CT, abdomen/pelvis; axial view
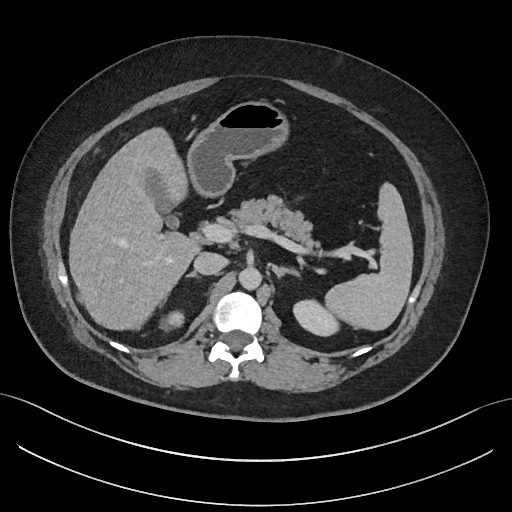

{"organs":{"spleen":[323,183,412,329],"right kidney":[167,313,182,326],"left kidney":[293,301,339,334],"gall bladder":[144,169,177,227],"liver":[69,124,201,331],"stomach":[189,103,287,195],"aorta":[239,266,261,291],"inferior vena cava":[194,252,225,274],"pancreas":[232,196,313,247],"right adrenal gland":[185,272,198,278],"left adrenal gland":[272,266,300,279]}}